Computed tomography, abdomen · Axial slice 82/118
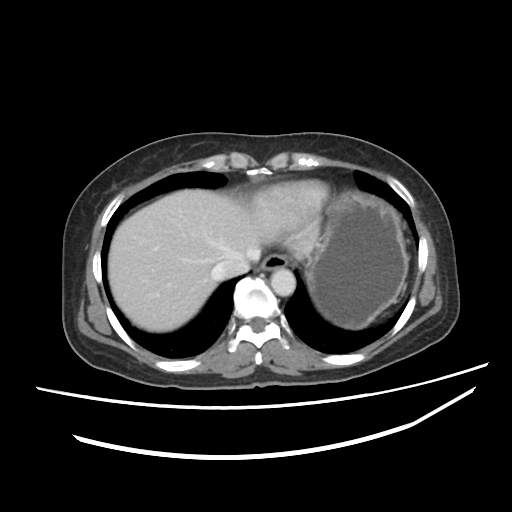 Each box given as x1,y1,x2,y2. The annotated organs in this slice are: aorta at x1=270, y1=268, x2=295, y2=295, inferior vena cava at x1=211, y1=252, x2=259, y2=281, esophagus at x1=260, y1=254, x2=288, y2=270, stomach at x1=305, y1=191, x2=408, y2=328, liver at x1=108, y1=189, x2=319, y2=332.